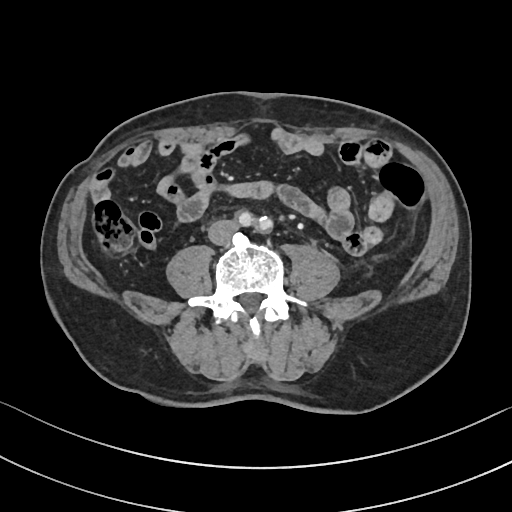

Abdominal CT; axial view; abdomen soft-tissue window; 512x512 px; SOMATOM Force scanner
Box edges are left/top/right/bottom in pixels.
Organ bounding boxes:
- inferior vena cava: left=208, top=221, right=235, bottom=244